CT of the abdomen extending into the chest, slice through the chest; axial plane, index 89; W/L 400/40 HU; 512x512 px; acquired on Aquilion ONE
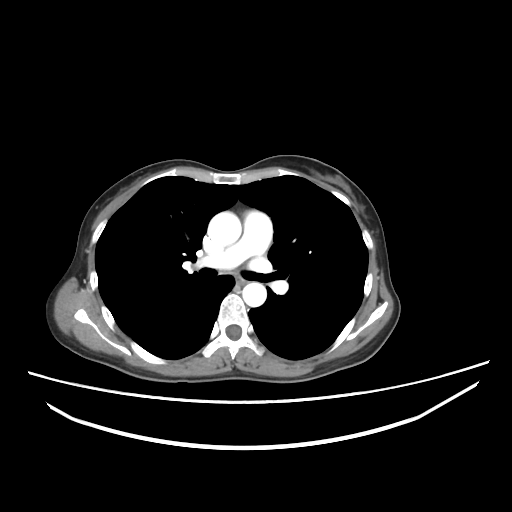

At this level of the chest this dataset labels only the esophagus and the aorta, and each is boxed only where it is labeled; the heart and lungs are never labeled. Boxes: x1:y1:x2:y2 in pixels. The annotated organs in this slice are: esophagus at 236:277:244:286, aorta at 207:211:241:246, aorta at 242:282:266:306.